Computed tomography, abdomen — axial view — abdomen soft-tissue window — 512x512 px — SOMATOM Force scanner — 15 organs annotated in this scan (a whole-scan count: organs this slice does not pass through have no box)
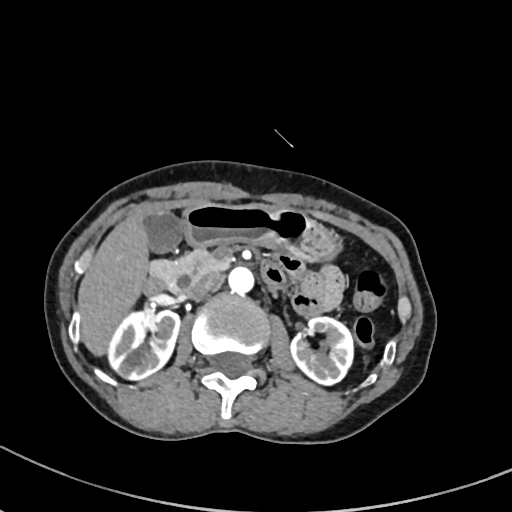 Boxes: x1:y1:x2:y2 in pixels.
right kidney: 108:310:180:380
left kidney: 291:317:353:385
gall bladder: 143:211:182:252
liver: 78:214:149:356
stomach: 181:202:340:261
aorta: 228:267:254:294
inferior vena cava: 186:273:223:299
pancreas: 150:248:228:294
duodenum: 143:260:287:294